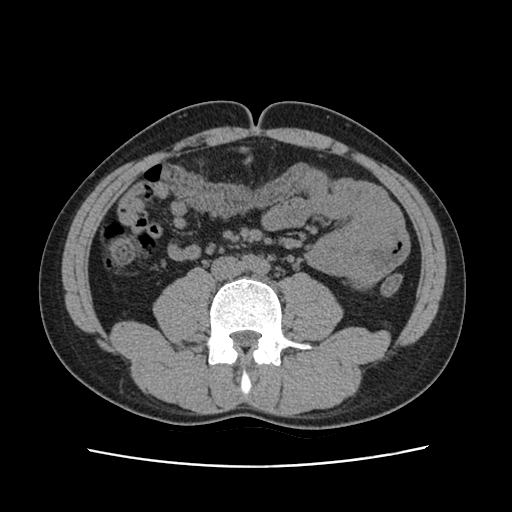

Abdominal CT — axial view — 512x512 px — SOMATOM Force scanner — scan has 15 labeled organs (counted over the whole 3D scan, not this slice; an organ is boxed only where this slice passes through it)
Boxes: x1 y1 x2 y2 (pixel coords, space-separated). 1 labeled organ on this slice — inferior vena cava at 211 256 244 279.